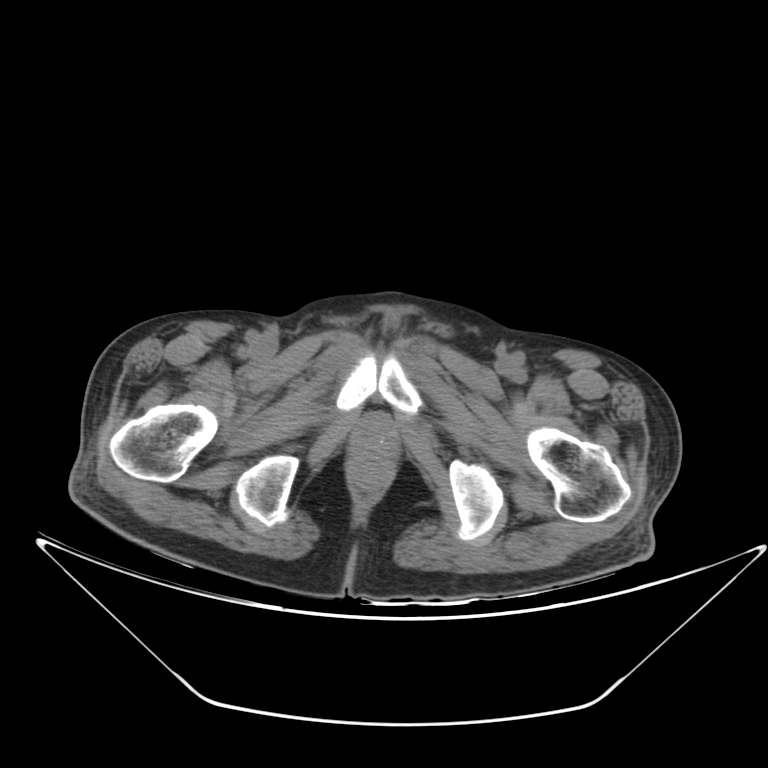 Computed tomography, abdomen · Axial slice 12/90 · soft-tissue window · acquired on Brilliance16
Boxes are (x1, y1, x2, y2) in pixels. The annotated organs in this slice are: prostate/uterus at (355, 414, 398, 458).